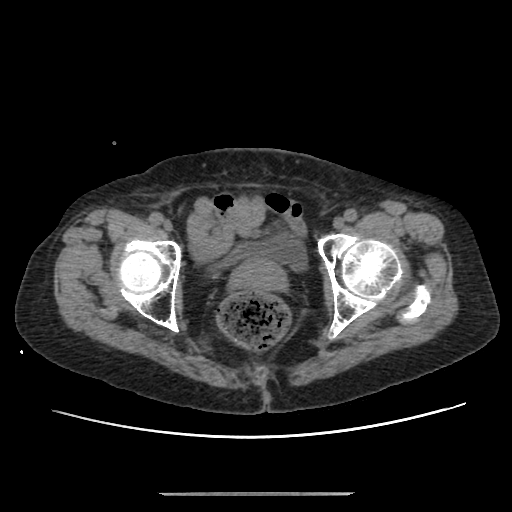

Abdominal CT; axial plane, index 58; 14 organs annotated in this scan (counted over the whole 3D scan, not this slice; an organ is boxed only where this slice passes through it)
{"organs":{"prostate/uterus":[230,256,287,291],"bladder":[217,232,306,270]}}